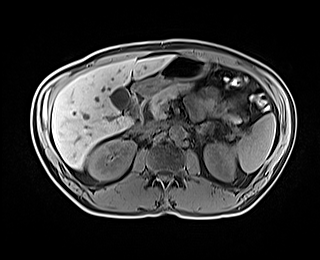 Abdominal MR; axial view; 1st–99th percentile window; 320x260 px; acquired on Prisma
One row per box, in pixels: columns x1 and y1 give the top-left corner, x2 and y2 the bottom-right.
| organ | x1 | y1 | x2 | y2 |
|---|---|---|---|---|
| spleen | 234 | 114 | 275 | 172 |
| right kidney | 88 | 139 | 135 | 180 |
| left kidney | 204 | 143 | 235 | 180 |
| gall bladder | 110 | 87 | 130 | 109 |
| liver | 51 | 55 | 174 | 169 |
| stomach | 131 | 55 | 207 | 96 |
| aorta | 169 | 125 | 185 | 140 |
| inferior vena cava | 140 | 122 | 159 | 133 |
| pancreas | 150 | 83 | 243 | 123 |
| left adrenal gland | 197 | 122 | 213 | 133 |
| duodenum | 126 | 91 | 148 | 123 |